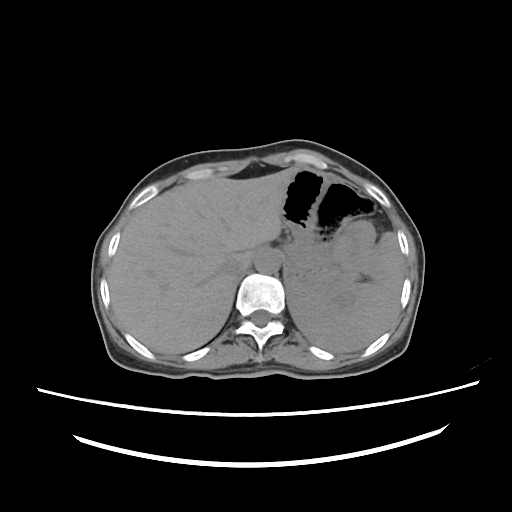 CT, abdomen/pelvis — axial view — W/L 400/40 HU — 512x512 px
Boxes: x1 y1 x2 y2 (pixel coords, space-separated). The annotated organs in this slice are: spleen at 287 232 403 352, liver at 108 168 297 354, stomach at 282 168 377 302, aorta at 254 248 281 273, inferior vena cava at 223 258 249 277.